Lower-chest slice from an abdominal CT, just above the liver and spleen. axial view. W/L 400/40 HU
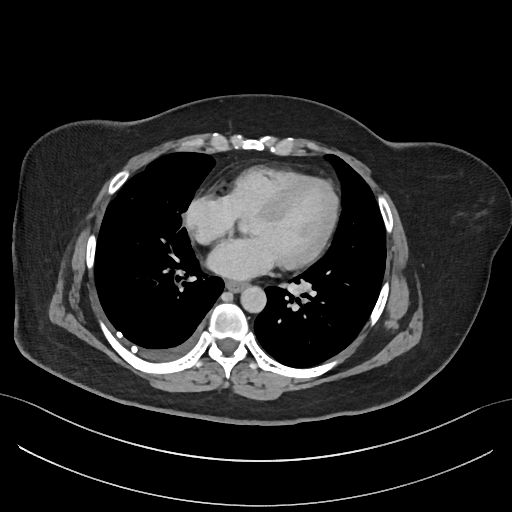 The heart and lungs are never labeled in this dataset, so they have no box on this slice.
{"organs":{"esophagus":[226,281,245,292],"aorta":[240,286,266,313]}}